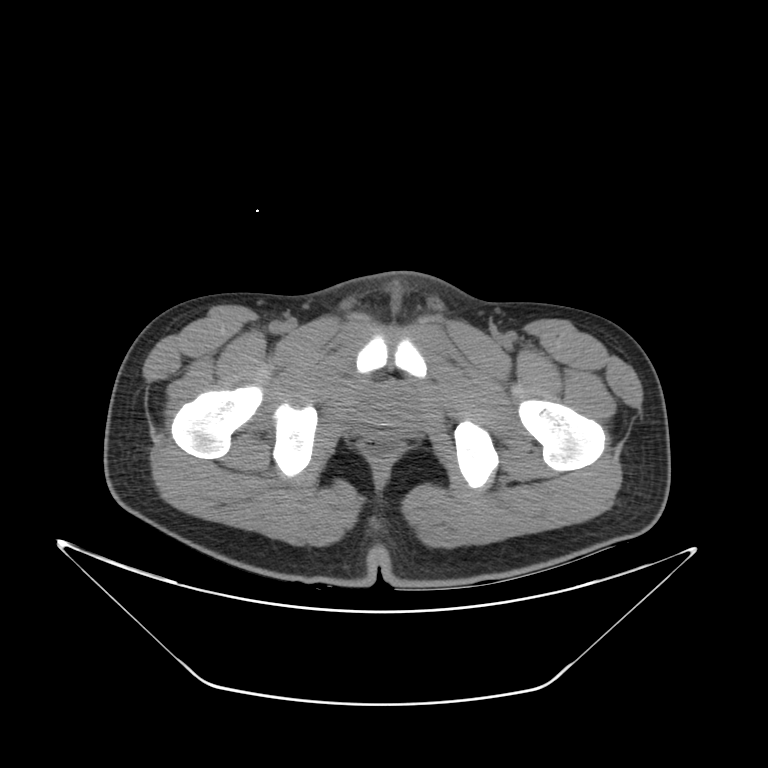

CT, abdomen/pelvis. axial view
{"organs":{"prostate/uterus":[364,395,409,427]}}